Abdominal CT. Axial slice 174/207
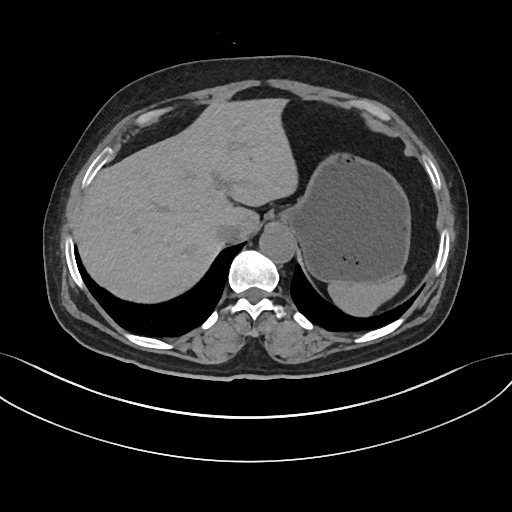
Boxes are (x1, y1, x2, y2) in pixels. Labeled organs on this slice: spleen at (328, 274, 405, 316), liver at (74, 98, 298, 303), stomach at (280, 152, 410, 283), aorta at (259, 226, 294, 262), inferior vena cava at (216, 222, 240, 242).